CT abdomen — axial view — abdomen soft-tissue window — 14 organs annotated in this scan (that count is for the whole scan; organs this slice misses have no box)
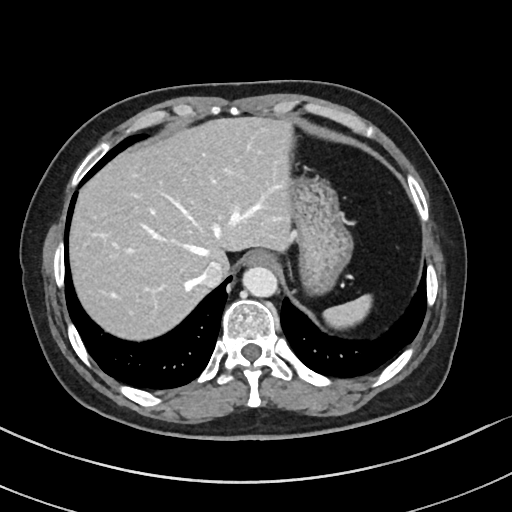
{"organs":{"aorta":[243,266,279,298],"inferior vena cava":[197,261,222,287],"spleen":[324,296,372,327],"liver":[71,118,294,340],"stomach":[290,162,350,292],"esophagus":[243,252,273,267]}}